Computed tomography, abdomen. Axial slice 18/345. soft-tissue window (W 400 / L 40). 512x512 px. 15 organs annotated in this scan (counted over the whole 3D scan, not this slice; an organ is boxed only where this slice passes through it)
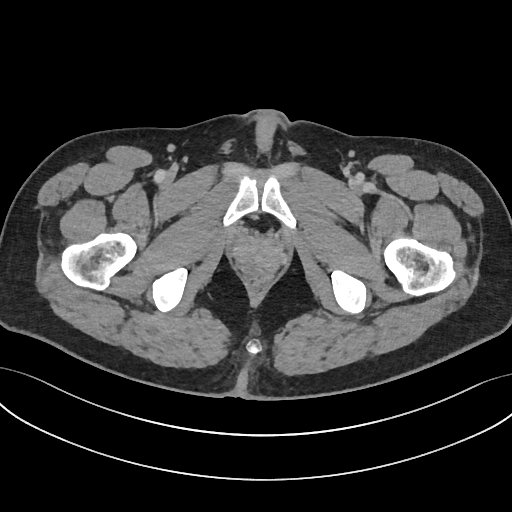 One row per box, in pixels: columns x1 and y1 give the top-left corner, x2 and y2 the bottom-right.
| organ | x1 | y1 | x2 | y2 |
|---|---|---|---|---|
| prostate/uterus | 233 | 238 | 282 | 274 |